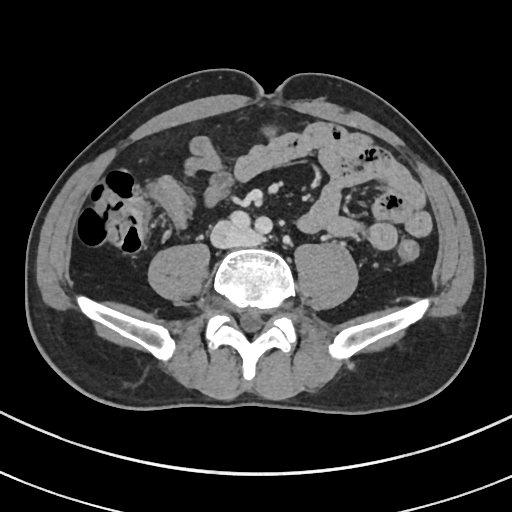
Computed tomography, abdomen. Axial slice 86/298. 512x512 px
{"organs":{"inferior vena cava":[211,220,256,248]}}